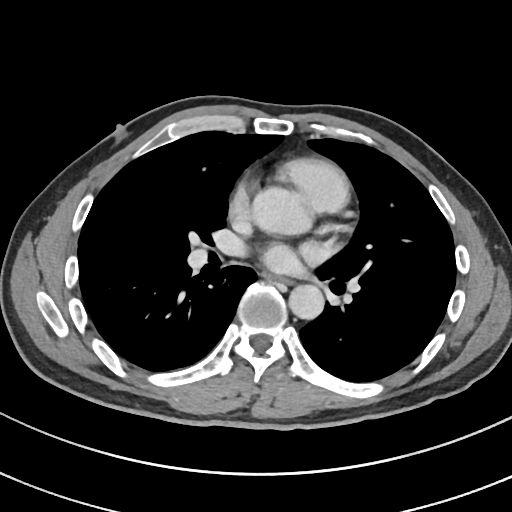
Chest-level slice from an abdominal CT that extends up into the chest · Axial slice 213/298 · soft-tissue window · 512x512 px · acquired on SOMATOM Force
At this level of the chest this dataset labels only the esophagus and the aorta, and each is boxed only where it is labeled; the heart and lungs are never labeled.
Bounding boxes in pixels, one row per box: x1, y1 is the top-left corner and x2, y2 the bottom-right.
| organ | x1 | y1 | x2 | y2 |
|---|---|---|---|---|
| esophagus | 276 | 277 | 289 | 282 |
| aorta | 289 | 284 | 323 | 319 |